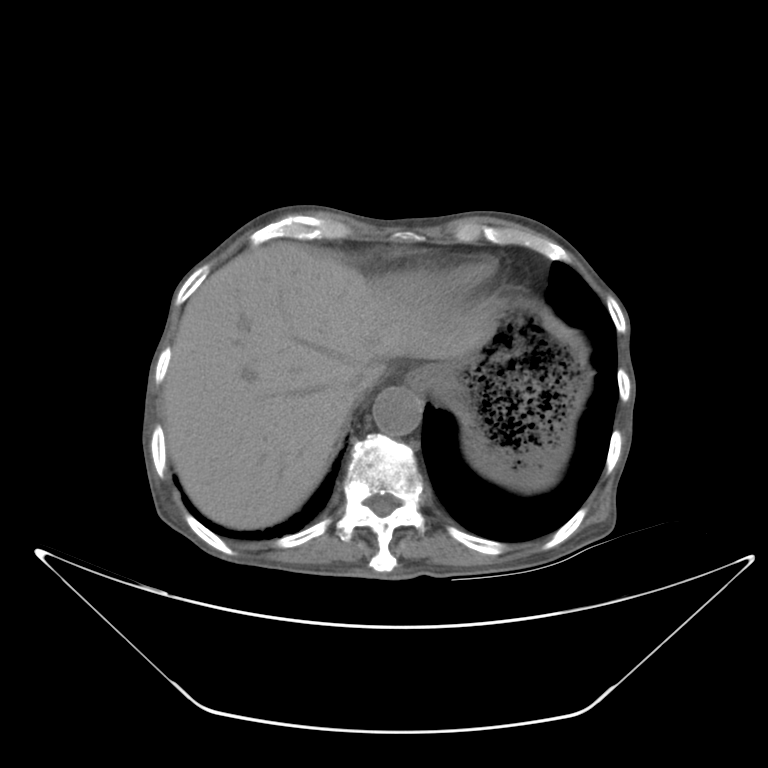

Computed tomography, abdomen; axial view
Bounding boxes as [x1, y1, x2, y2] in pixel coordinates. 4 labeled organs on this slice — liver at [160, 244, 488, 527]; stomach at [408, 289, 588, 487]; aorta at [372, 387, 422, 436]; inferior vena cava at [342, 362, 388, 400].